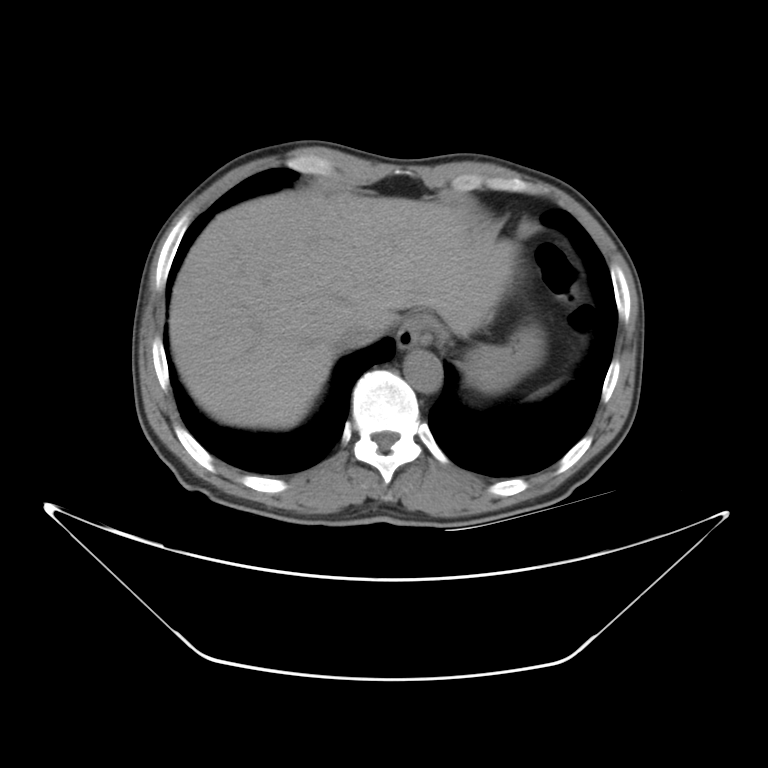 Abdominal CT; axial plane, index 76; soft-tissue window
Boxes: x1:y1:x2:y2 in pixels. 6 labeled organs on this slice — spleen at 512:378:565:402; esophagus at 398:321:422:349; liver at 169:188:515:428; stomach at 418:314:538:389; aorta at 405:350:440:390; inferior vena cava at 334:323:386:352.